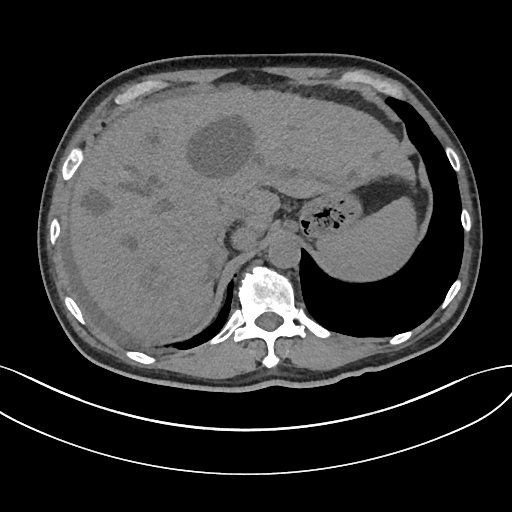

Computed tomography, abdomen. axial plane, index 172
Boxes: x1 y1 x2 y2 (pixel coords, space-separated). The annotated organs in this slice are: spleen at 316 195 417 280, liver at 68 86 417 341, stomach at 299 189 360 240, aorta at 268 235 300 268, inferior vena cava at 210 207 239 234, right adrenal gland at 213 235 225 282.